Computed tomography, abdomen; Axial slice 71/103; soft-tissue window; 768x768 px
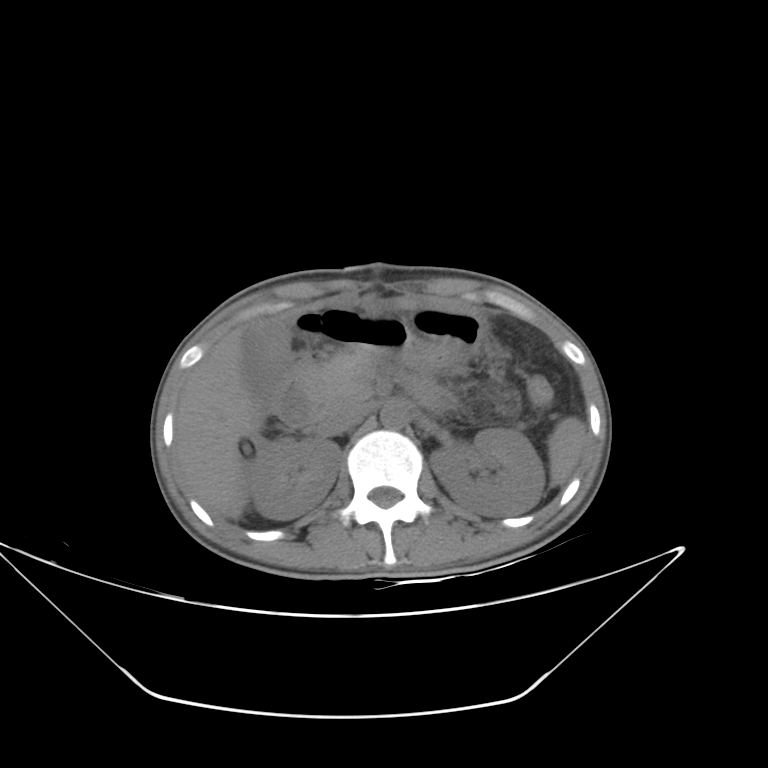 {"organs":{"spleen":[548,417,586,485],"right kidney":[243,437,341,519],"left kidney":[430,428,544,516],"gall bladder":[256,325,290,365],"liver":[175,319,273,519],"aorta":[380,404,406,429],"inferior vena cava":[317,401,369,436],"pancreas":[296,353,380,404],"duodenum":[273,375,320,427]}}